Chest-level slice from an abdominal CT that extends up into the chest; Axial slice 96/118; W/L 400/40 HU; 512x512 px
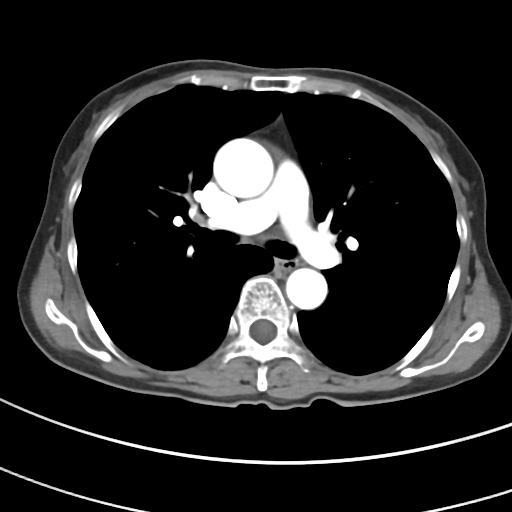

At this level of the chest this dataset labels only the esophagus and the aorta, and each is boxed only where it is labeled; the heart and lungs are never labeled. Boxes are (x1, y1, x2, y2) in pixels. Labeled organs on this slice: esophagus at (275, 259, 297, 271), aorta at (212, 138, 273, 198), aorta at (285, 268, 327, 309).